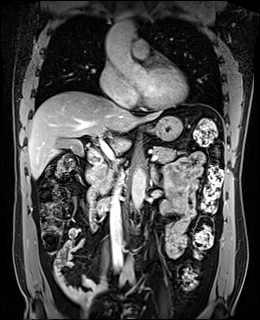
MRI, abdomen. coronal view. Prisma scanner
One row per box, in pixels: columns x1 and y1 give the top-left corner, x2 and y2 the bottom-right.
| organ | x1 | y1 | x2 | y2 |
|---|---|---|---|---|
| gall bladder | 59 | 138 | 83 | 155 |
| liver | 28 | 91 | 162 | 178 |
| stomach | 148 | 116 | 182 | 140 |
| aorta | 105 | 19 | 147 | 82 |
| aorta | 131 | 167 | 145 | 210 |
| aorta | 121 | 257 | 134 | 273 |
| inferior vena cava | 110 | 174 | 123 | 269 |
| pancreas | 93 | 146 | 179 | 194 |
| left adrenal gland | 150 | 164 | 159 | 181 |
| duodenum | 86 | 150 | 111 | 215 |